CT, abdomen/pelvis — axial view — soft-tissue window
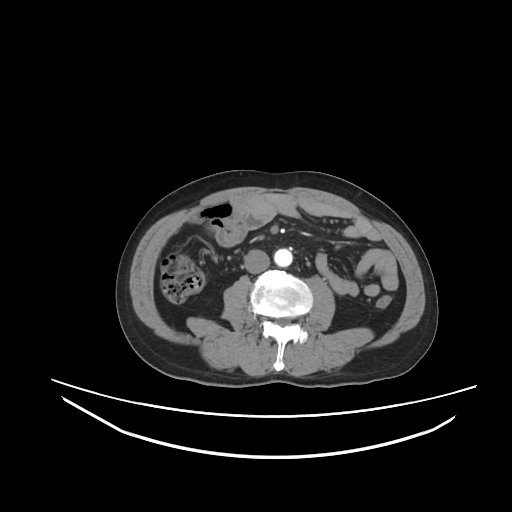

Each box given as x1,y1,x2,y2. The annotated organs in this slice are: aorta at x1=274, y1=248, x2=292, y2=266, inferior vena cava at x1=244, y1=249, x2=270, y2=273.